CT, abdomen/pelvis — axial view — soft-tissue window
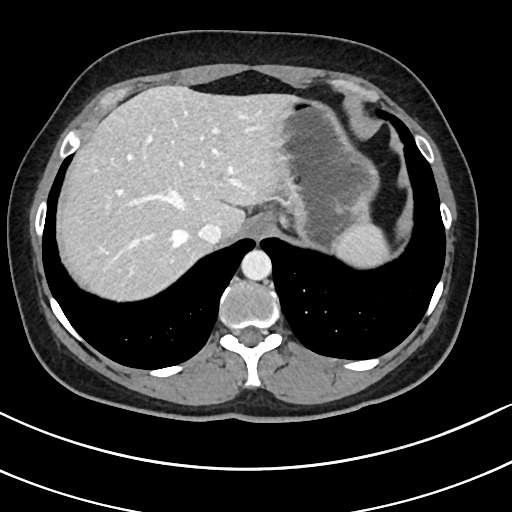 Boxes are (x1, y1, x2, y2) in pixels. The annotated organs in this slice are: inferior vena cava at (198, 224, 221, 244), stomach at (271, 98, 379, 248), spleen at (333, 222, 389, 267), liver at (57, 85, 297, 301), esophagus at (245, 214, 272, 240), aorta at (241, 250, 271, 280).